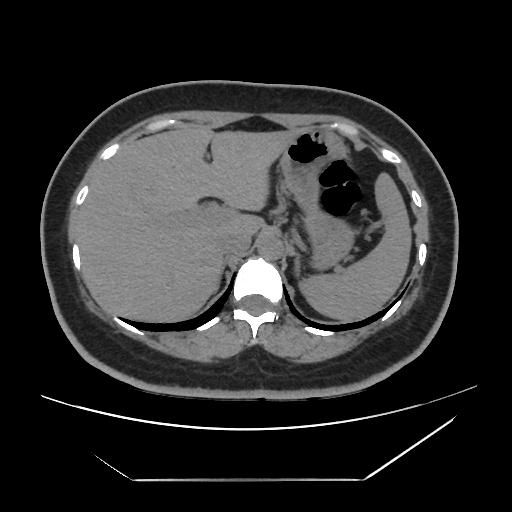 CT abdomen. axial view. soft-tissue window. 512x512 px. acquired on SOMATOM Force
Box edges are left/top/right/bottom in pixels.
Organ bounding boxes:
- spleen: left=301, top=173, right=411, bottom=321
- liver: left=77, top=128, right=296, bottom=322
- stomach: left=280, top=127, right=352, bottom=267
- aorta: left=257, top=234, right=283, bottom=260
- inferior vena cava: left=218, top=231, right=251, bottom=254
- right adrenal gland: left=221, top=259, right=227, bottom=275
- left adrenal gland: left=293, top=253, right=300, bottom=276